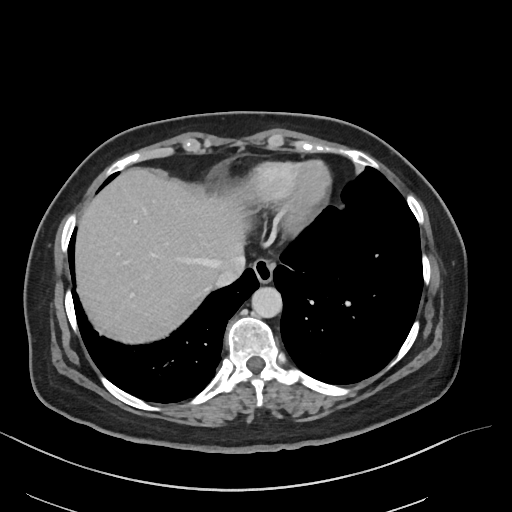 Abdominal CT — Axial slice 211/244
{"organs":{"esophagus":[253,259,274,283],"liver":[75,168,247,343],"aorta":[251,287,282,317],"inferior vena cava":[214,260,245,287]}}